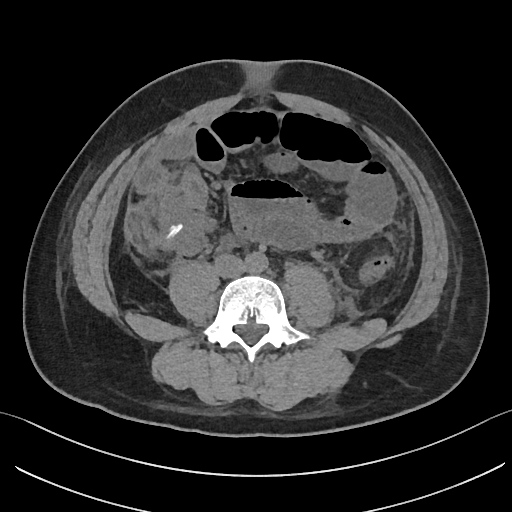 CT, abdomen/pelvis. axial view
Bounding boxes in pixels, one row per box: x1, y1 is the top-left corner and x2, y2 the bottom-right.
| organ | x1 | y1 | x2 | y2 |
|---|---|---|---|---|
| inferior vena cava | 215 | 255 | 246 | 278 |
| aorta | 244 | 252 | 268 | 272 |